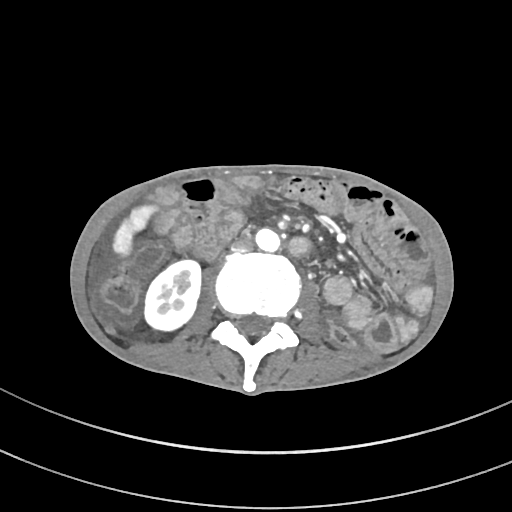
Abdominal CT · axial view
{"organs":{"aorta":[255,228,280,252],"inferior vena cava":[231,237,252,253],"right kidney":[145,260,201,330],"liver":[113,205,156,255]}}